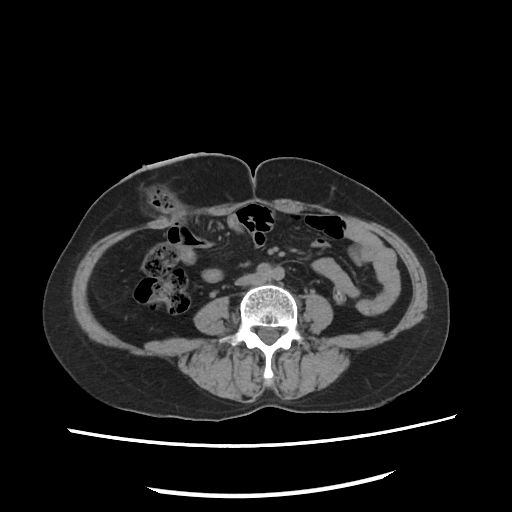 CT abdomen — axial view — 512x512 px — 56-year-old female patient
Boxes: x1 y1 x2 y2 (pixel coords, space-separated). 1 labeled organ on this slice — inferior vena cava at 235 273 264 286.